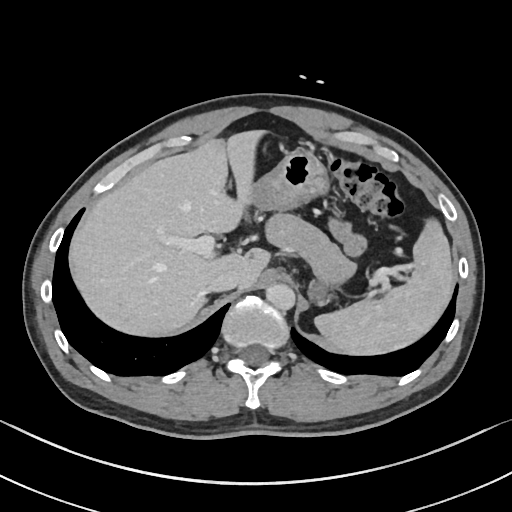 Abdominal CT. axial plane, index 155. soft-tissue window. 512x512 px. SOMATOM Force scanner
Coordinates as <box>x1,y1,x2,y2</box> in pixels. Labeled organs on this slice: spleen at <box>315,221,454,355</box>, liver at <box>68,129,271,337</box>, stomach at <box>240,151,328,225</box>, aorta at <box>265,282,295,309</box>, inferior vena cava at <box>209,269,240,290</box>, pancreas at <box>266,214,353,286</box>, right adrenal gland at <box>200,294,212,308</box>.